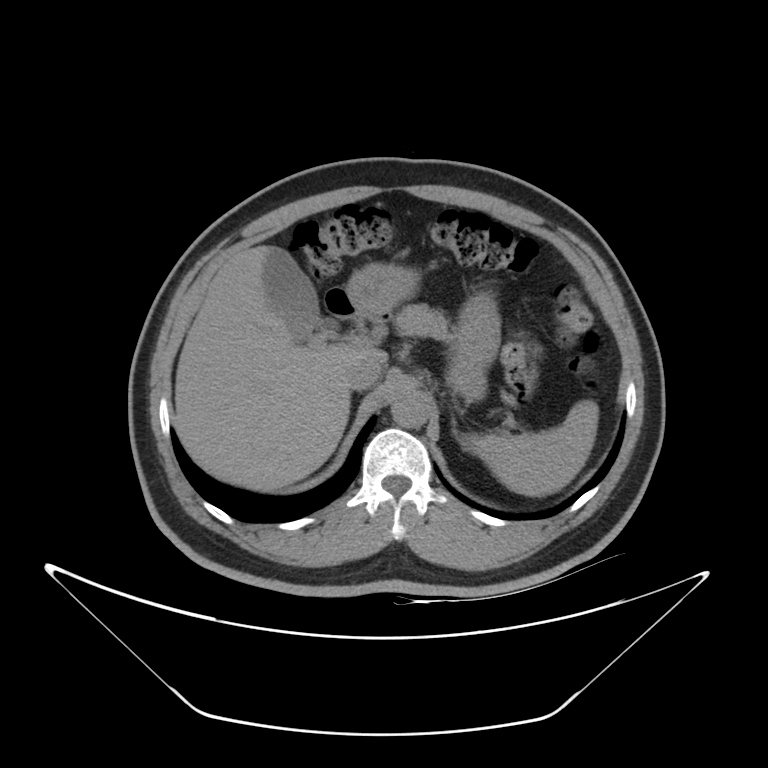

Abdominal CT; axial view; soft-tissue window (W 400 / L 40); 55-year-old male patient; 15 organs annotated in this scan (counted over the whole 3D scan, not this slice; an organ is boxed only where this slice passes through it)
Boxes: x1:y1:x2:y2 in pixels. Labeled organs on this slice: spleen at 466:400:599:496, pancreas at 394:304:452:341, liver at 175:246:362:490, stomach at 340:263:500:400, aorta at 390:389:430:428, left adrenal gland at 451:415:458:437, duodenum at 325:289:388:321, gall bladder at 263:247:334:333, inferior vena cava at 342:349:382:389.